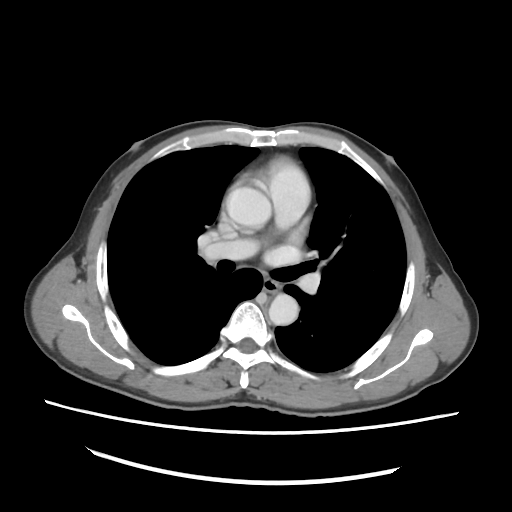

Abdominal CT reaching into the chest; this slice is in the chest — axial view — soft-tissue window — 512x512 px
On a slice this high in the chest, this dataset labels only the esophagus and the aorta, and each is boxed only where it is labeled; the heart, lungs and other chest structures are not labeled. Bounding boxes as [x1, y1, x2, y2] in pixel coordinates. Labeled organs on this slice: esophagus at [263, 280, 278, 290], aorta at [226, 180, 271, 228], aorta at [268, 294, 298, 325].